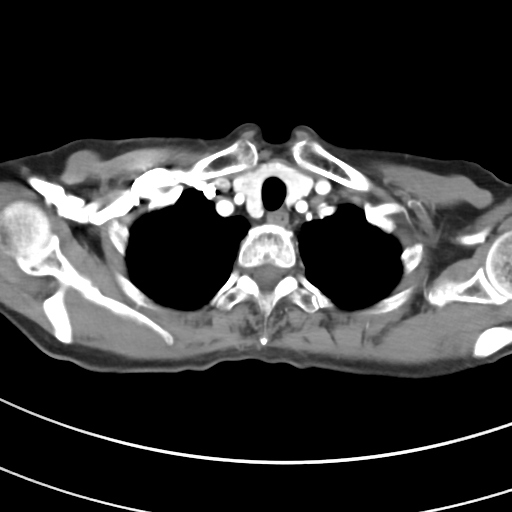
Chest-level slice from an abdominal CT that extends up into the chest — axial plane, index 113 — acquired on SOMATOM Force — 15 organs annotated in this scan (that count is for the whole scan; organs this slice misses have no box)
On a slice this high in the chest, this dataset labels only the esophagus and the aorta, and each is boxed only where it is labeled; the heart, lungs and other chest structures are not labeled.
{"organs":{"esophagus":[267,212,286,224]}}